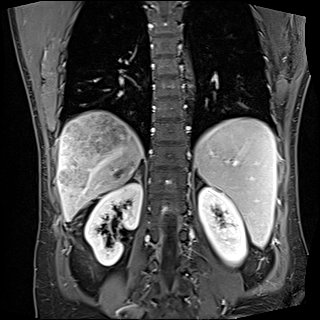
Abdominal MRI — coronal acquisition — percentile-normalized
{"organs":{"liver":[56,110,143,221],"left kidney":[198,186,246,264],"spleen":[195,117,277,247],"right adrenal gland":[135,170,140,182],"right kidney":[84,182,142,266]}}